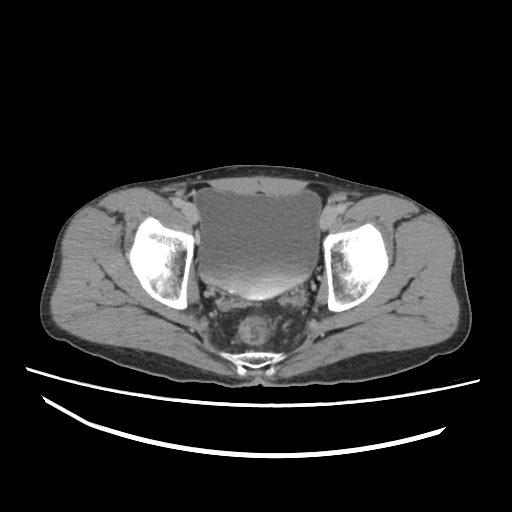 Computed tomography, abdomen; axial view; 512x512 px; scan has 15 labeled organs (a whole-scan count: organs this slice does not pass through have no box)
{"organs":{"bladder":[193,187,321,299]}}